CT abdomen · axial view
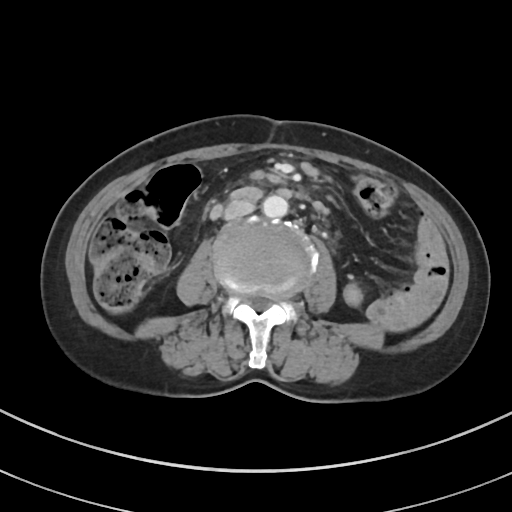
Boxes: x1 y1 x2 y2 (pixel coords, space-separated). 2 labeled organs on this slice — aorta at 262 195 288 218; inferior vena cava at 224 198 255 219.